CT abdomen · Axial slice 139/298
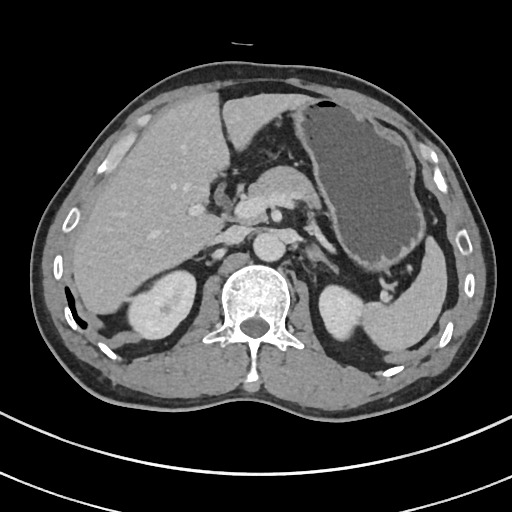 {"organs":{"spleen":[360,237,447,352],"right kidney":[127,270,196,338],"left kidney":[319,285,364,340],"liver":[72,92,311,314],"stomach":[291,98,425,271],"aorta":[253,233,284,261],"inferior vena cava":[217,225,250,244],"pancreas":[249,166,319,208],"left adrenal gland":[307,245,337,272]}}